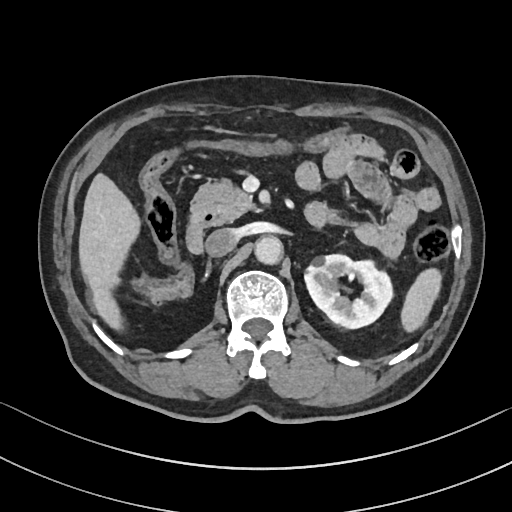
Computed tomography, abdomen · axial view
Bounding boxes as [x1, y1, x2, y2] in pixel coordinates.
spleen: [402, 268, 442, 332]
left kidney: [305, 254, 394, 327]
liver: [80, 174, 141, 328]
aorta: [254, 236, 282, 263]
inferior vena cava: [205, 228, 238, 256]
pancreas: [190, 182, 254, 223]
duodenum: [186, 212, 214, 254]